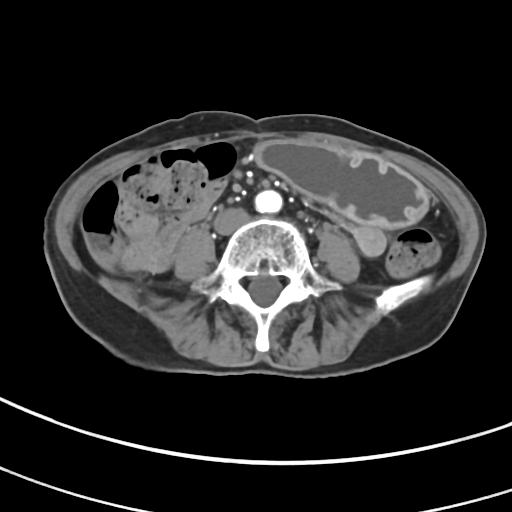

Computed tomography, abdomen — axial view — abdomen soft-tissue window — 512x512 px
Bounding boxes in pixels, one row per box: x1, y1 is the top-left corner and x2, y2 the bottom-right.
| organ | x1 | y1 | x2 | y2 |
|---|---|---|---|---|
| stomach | 254 | 138 | 428 | 227 |
| aorta | 255 | 190 | 282 | 213 |
| inferior vena cava | 214 | 208 | 248 | 234 |